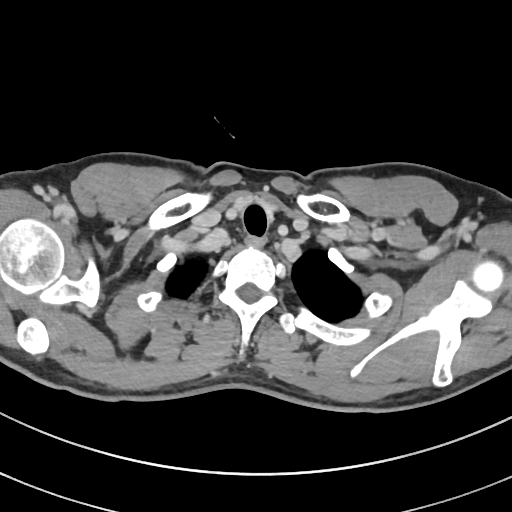

Abdominal CT reaching into the chest; this slice is in the chest. axial view. W/L 400/40 HU. 512x512 px. 15 organs annotated in this scan (a whole-scan count: organs this slice does not pass through have no box)
At this level of the chest no structure but the esophagus and the aorta has a label in this dataset, and those two are boxed only where they are labeled.
Bounding boxes as [x1, y1, x2, y2] in pixel coordinates.
Organ bounding boxes:
- esophagus: [244, 235, 264, 245]